Abdominal CT; axial view; 768x768 px; 15 organs annotated in this scan (counted over the whole 3D scan, not this slice; an organ is boxed only where this slice passes through it)
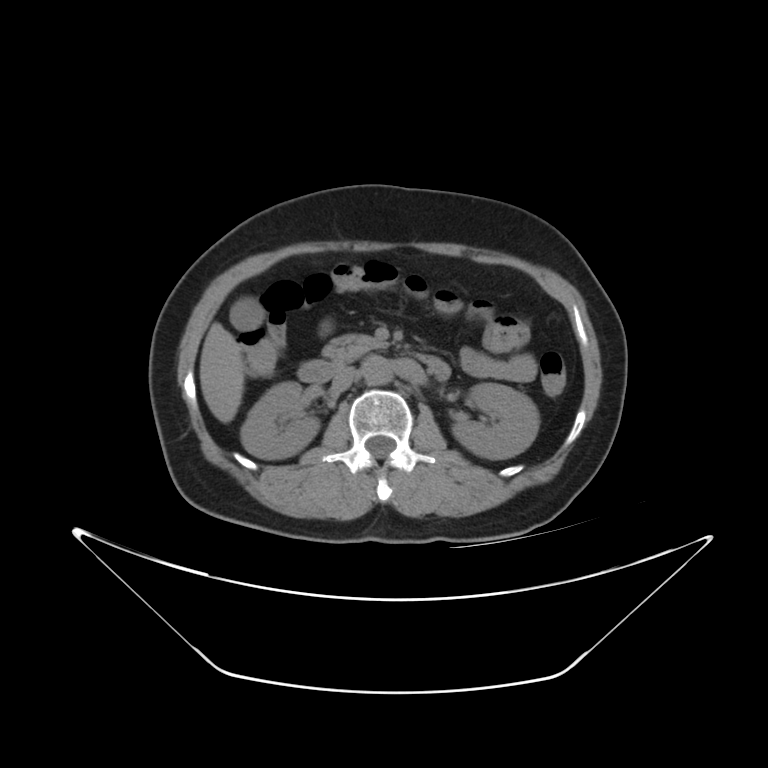

{"organs":{"right kidney":[242,382,318,460],"left kidney":[453,382,536,457],"gall bladder":[231,302,263,329],"liver":[200,322,245,422],"aorta":[362,356,391,387],"inferior vena cava":[331,363,355,391],"pancreas":[321,334,384,360],"duodenum":[298,353,449,385]}}